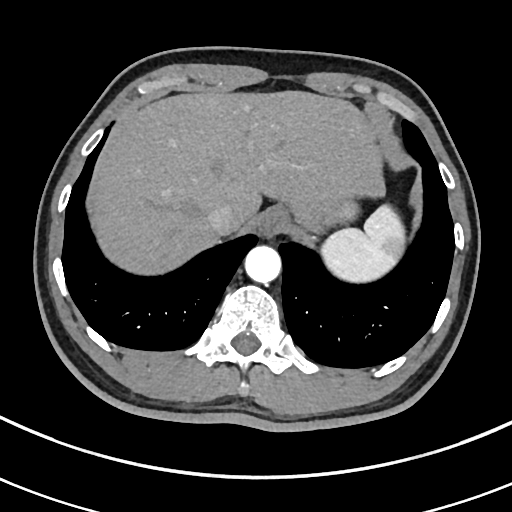 CT, abdomen/pelvis · axial view · 15 organs annotated in this scan (counted over the whole 3D scan, not this slice; an organ is boxed only where this slice passes through it)
Boxes are (x1, y1, x2, y2) in pixels.
spleen: (320, 201, 406, 282)
esophagus: (259, 206, 290, 235)
liver: (92, 90, 387, 273)
stomach: (324, 195, 358, 231)
aorta: (244, 245, 281, 283)
inferior vena cava: (207, 204, 235, 236)